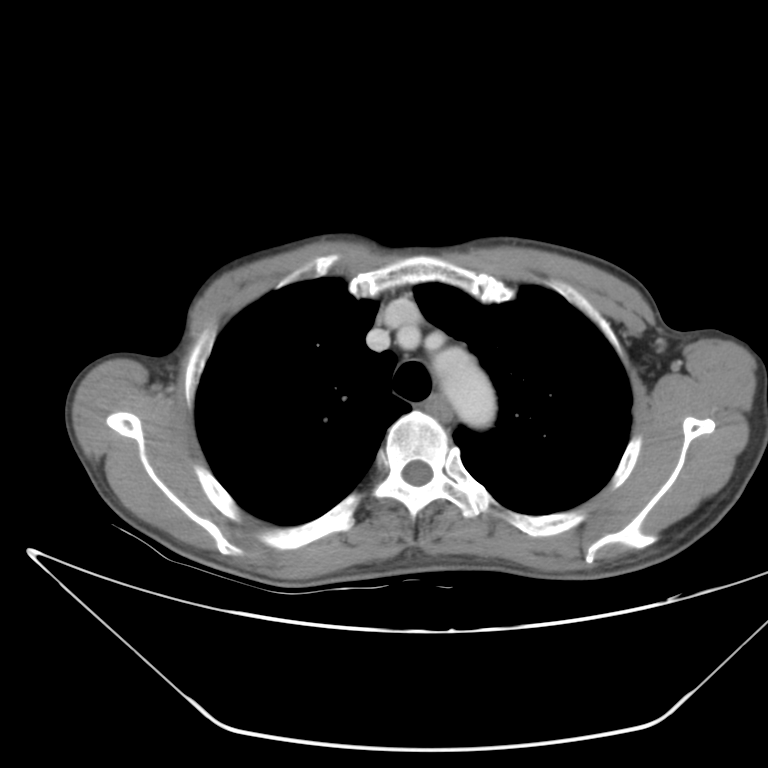

Chest-level CT slice, above the liver and spleen — axial view — Brilliance16 scanner — scan has 13 labeled organs (that count is for the whole scan; organs this slice misses have no box)
On a slice this high in the chest, this dataset labels only the esophagus and the aorta, and each is boxed only where it is labeled; the heart, lungs and other chest structures are not labeled.
Boxes: x1 y1 x2 y2 (pixel coords, space-separated).
Organ bounding boxes:
- esophagus: 425 393 453 422
- aorta: 428 343 494 428